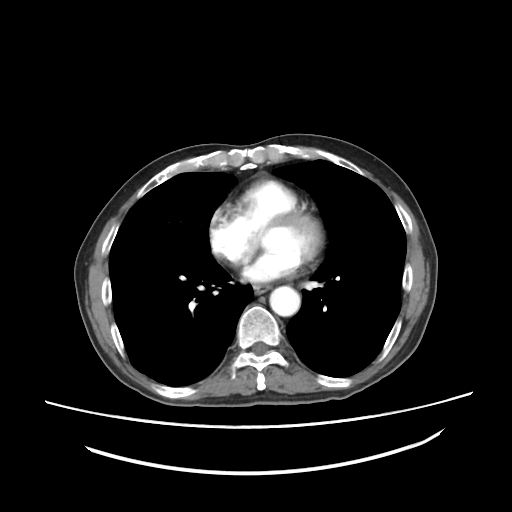
Abdominal CT reaching into the chest; this slice is in the chest · axial view · soft-tissue window, W/L 400/40 · 512x512 px · 15 organs annotated in this scan (a whole-scan count: organs this slice does not pass through have no box)
At this level of the chest this dataset labels only the esophagus and the aorta, and each is boxed only where it is labeled; the heart and lungs are never labeled.
Each box given as x1,y1,x2,y2.
Organ bounding boxes:
- esophagus: x1=254, y1=285, x2=268, y2=293
- aorta: x1=269, y1=286, x2=300, y2=316